Computed tomography, abdomen; axial view; soft-tissue window (W 400 / L 40); 512x512 px; acquired on SOMATOM Force
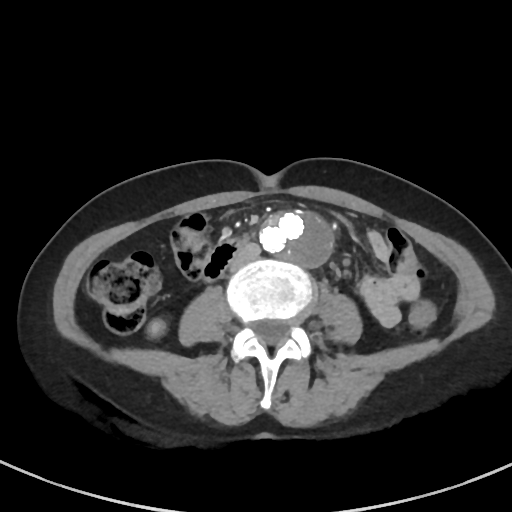 {"organs":{"right kidney":[147,319,166,337],"aorta":[260,209,334,268],"inferior vena cava":[229,243,260,271],"duodenum":[201,236,247,280]}}